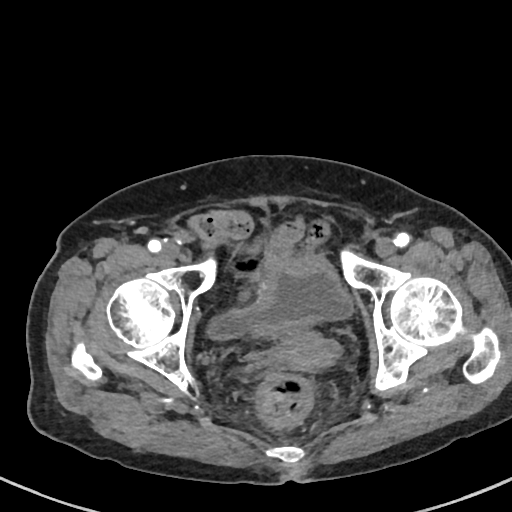 CT, abdomen/pelvis; axial plane, index 31; W/L 400/40 HU; acquired on SOMATOM Force; 15 organs annotated in this scan (counted over the whole 3D scan, not this slice; an organ is boxed only where this slice passes through it)
{"organs":{"bladder":[208,258,351,339],"prostate/uterus":[275,330,331,371]}}